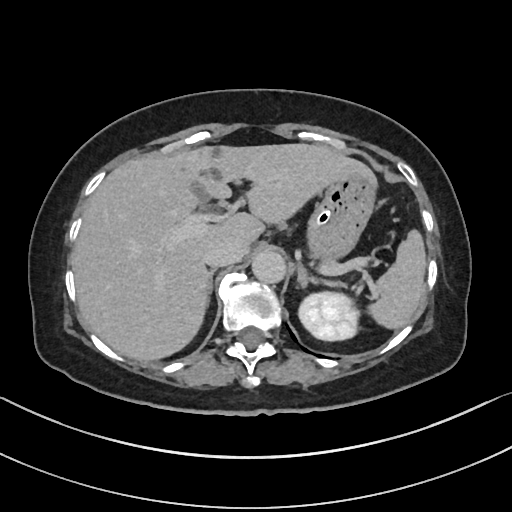
Abdominal CT · Axial slice 171/212 · abdomen soft-tissue window · 512x512 px
{"organs":{"spleen":[367,230,425,329],"left kidney":[298,292,359,340],"gall bladder":[191,184,209,200],"liver":[72,143,378,361],"stomach":[306,177,375,263],"aorta":[252,250,286,283],"inferior vena cava":[204,239,241,267],"right adrenal gland":[207,271,213,301],"left adrenal gland":[297,265,316,287]}}